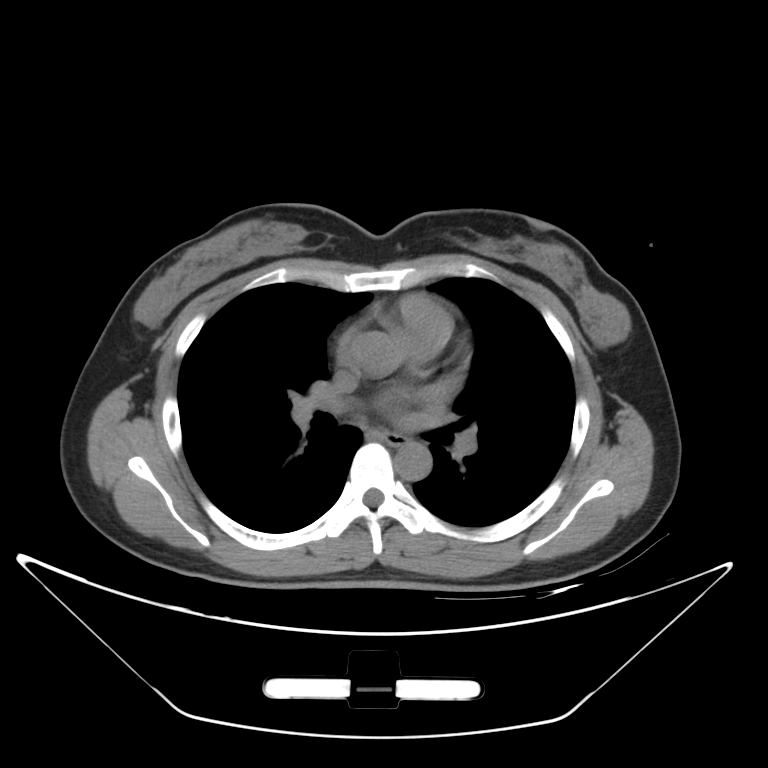

Chest-level slice from an abdominal CT that extends up into the chest — axial plane, index 104 — soft-tissue window — 39-year-old female patient — acquired on Brilliance16
On a slice this high in the chest, this dataset labels only the esophagus and the aorta, and each is boxed only where it is labeled; the heart, lungs and other chest structures are not labeled. Bounding boxes as [x1, y1, x2, y2] in pixel coordinates. The annotated organs in this slice are: esophagus at [383, 432, 404, 443], aorta at [395, 440, 431, 480].